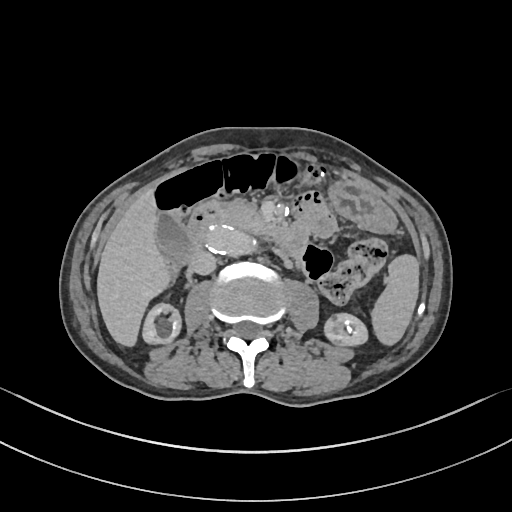 CT abdomen · axial view · soft-tissue window (W 400 / L 40) · 512x512 px · scan has 15 labeled organs (that count is for the whole scan; organs this slice misses have no box)
<organs><organ name="liver" x1="97" y1="189" x2="170" y2="346"/><organ name="gall bladder" x1="156" y1="213" x2="192" y2="265"/><organ name="inferior vena cava" x1="190" y1="250" x2="216" y2="274"/><organ name="right kidney" x1="142" y1="303" x2="180" y2="343"/><organ name="left kidney" x1="324" y1="313" x2="367" y2="346"/><organ name="spleen" x1="371" y1="254" x2="419" y2="345"/><organ name="stomach" x1="329" y1="178" x2="396" y2="233"/><organ name="pancreas" x1="215" y1="201" x2="274" y2="232"/><organ name="duodenum" x1="187" y1="206" x2="308" y2="256"/><organ name="aorta" x1="205" y1="225" x2="256" y2="254"/></organs>